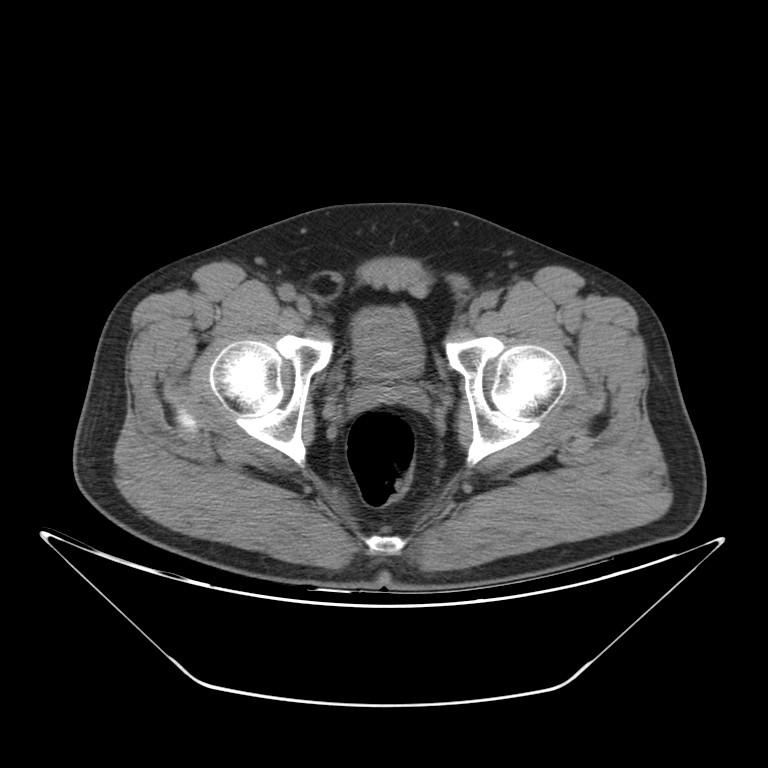

Computed tomography, abdomen. Axial slice 26/100. 768x768 px. acquired on Brilliance16. scan has 15 labeled organs (counted over the whole 3D scan, not this slice; an organ is boxed only where this slice passes through it)
Boxes are (x1, y1, x2, y2) in pixels.
Organ bounding boxes:
- bladder: (351, 307, 424, 377)